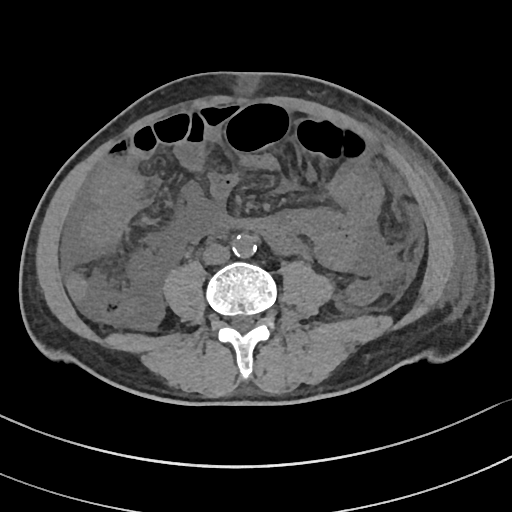
Abdominal CT — Axial slice 90/206 — W/L 400/40 HU — 512x512 px
Bounding boxes in pixels, one row per box: x1, y1 is the top-left corner and x2, y2 the bottom-right.
| organ | x1 | y1 | x2 | y2 |
|---|---|---|---|---|
| inferior vena cava | 203 | 243 | 229 | 264 |
| aorta | 232 | 234 | 256 | 258 |